CT abdomen — axial plane, index 61 — 69-year-old male patient
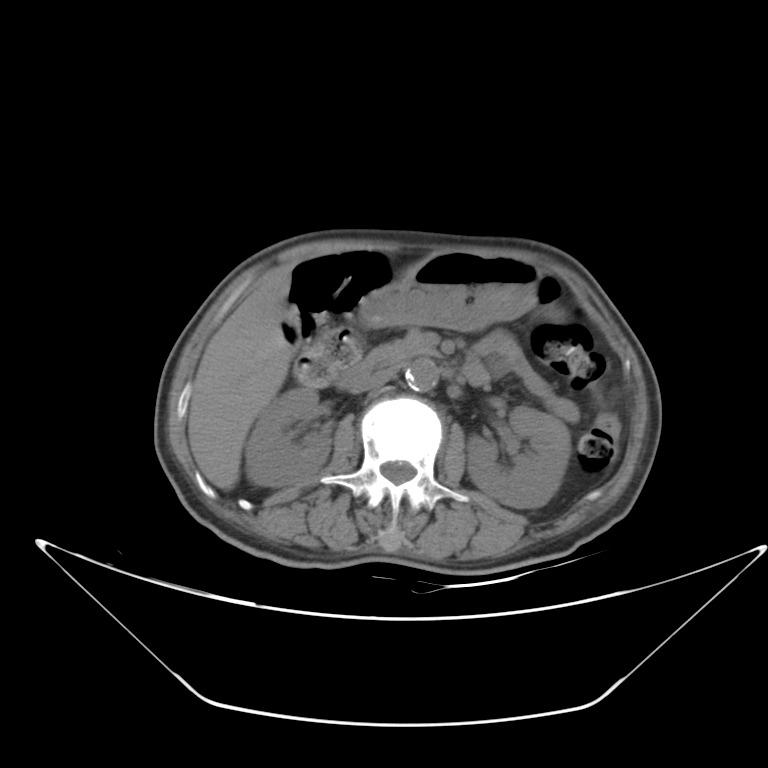
<organs><organ name="right kidney" x1="246" y1="389" x2="330" y2="486"/><organ name="left kidney" x1="466" y1="404" x2="568" y2="507"/><organ name="liver" x1="189" y1="264" x2="296" y2="489"/><organ name="stomach" x1="360" y1="251" x2="538" y2="331"/><organ name="aorta" x1="404" y1="357" x2="439" y2="389"/><organ name="inferior vena cava" x1="364" y1="364" x2="396" y2="391"/><organ name="pancreas" x1="376" y1="332" x2="427" y2="363"/><organ name="duodenum" x1="337" y1="356" x2="375" y2="394"/></organs>